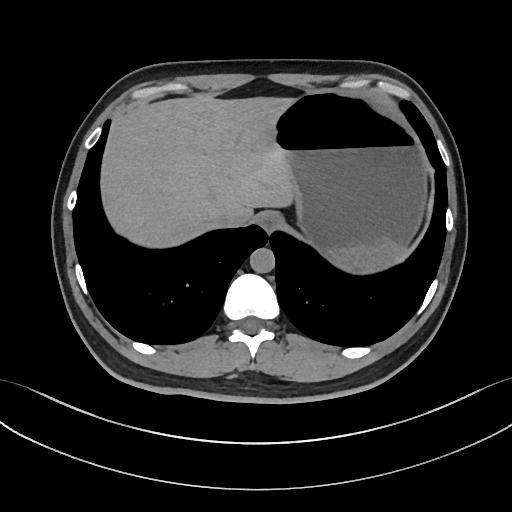
Abdominal CT · Axial slice 201/225 · acquired on SOMATOM Force · scan has 15 labeled organs (a whole-scan count: organs this slice does not pass through have no box)
{"organs":{"esophagus":[257,210,281,231],"liver":[100,95,295,246],"stomach":[276,92,425,268],"aorta":[250,248,274,273],"inferior vena cava":[212,214,230,225]}}